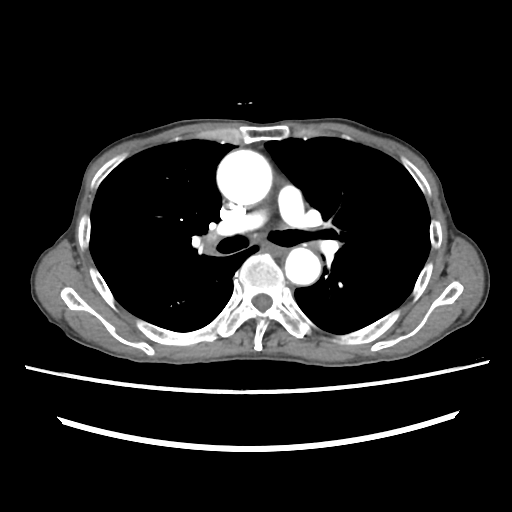 CT of the abdomen extending into the chest, slice through the chest; axial plane, index 96; soft-tissue window (W 400 / L 40); scan has 15 labeled organs (a whole-scan count: organs this slice does not pass through have no box)
On a slice this high in the chest, this dataset labels only the esophagus and the aorta, and each is boxed only where it is labeled; the heart, lungs and other chest structures are not labeled.
One row per box, in pixels: columns x1 and y1 give the top-left corner, x2 and y2 the bottom-right.
| organ | x1 | y1 | x2 | y2 |
|---|---|---|---|---|
| esophagus | 261 | 244 | 281 | 256 |
| aorta | 217 | 150 | 272 | 205 |
| aorta | 285 | 247 | 320 | 285 |